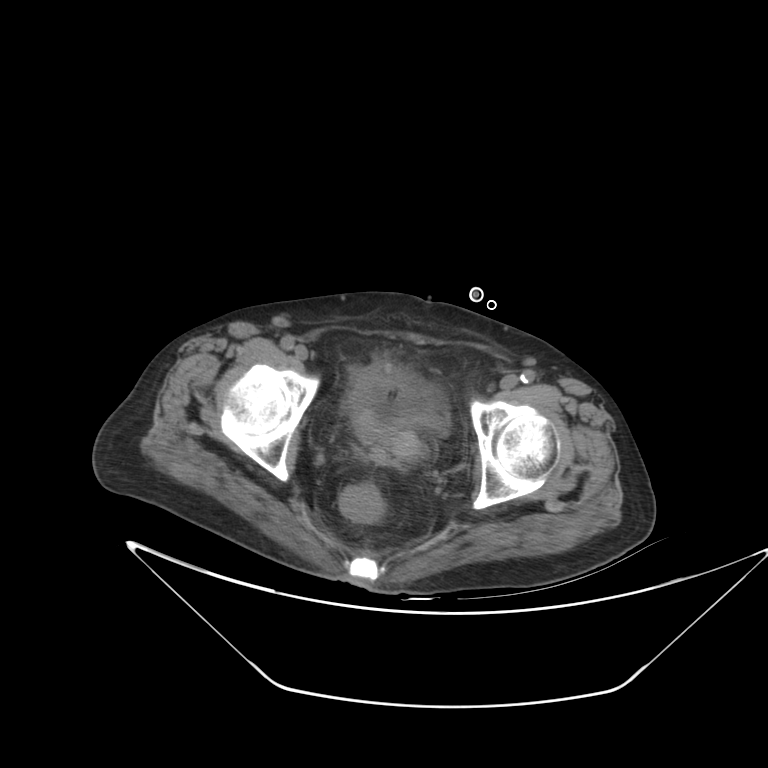

Computed tomography, abdomen · Axial slice 22/105 · 80-year-old female patient
Boxes: x1:y1:x2:y2 in pixels. Labeled organs on this slice: prostate/uterus at 387:429:418:455, bladder at 345:366:449:441.